Abdominal CT; axial plane, index 318; SOMATOM Force scanner
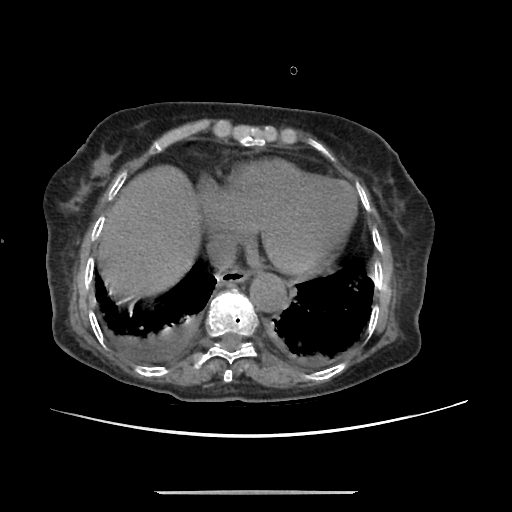 Bounding boxes in pixels, one row per box: x1, y1 is the top-left corner and x2, y2 the bottom-right.
| organ | x1 | y1 | x2 | y2 |
|---|---|---|---|---|
| liver | 98 | 165 | 198 | 298 |
| aorta | 249 | 273 | 286 | 312 |
| esophagus | 218 | 267 | 250 | 284 |
| inferior vena cava | 207 | 234 | 236 | 271 |